CT, abdomen/pelvis; axial view; soft-tissue window
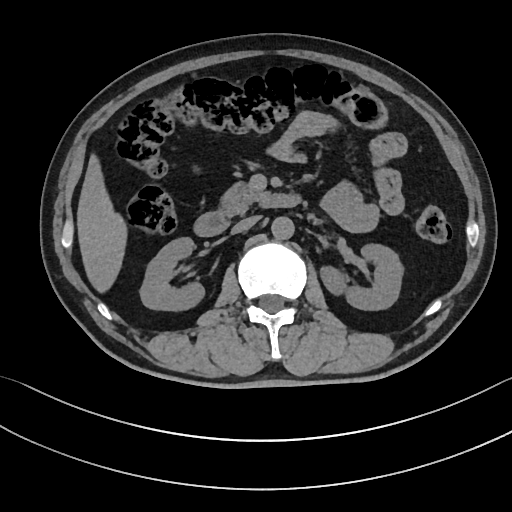

{"organs":{"right kidney":[140,237,204,310],"left kidney":[320,244,403,310],"liver":[77,154,127,292],"aorta":[271,216,294,239],"inferior vena cava":[232,215,260,233],"pancreas":[220,182,265,215],"duodenum":[194,194,300,236]}}